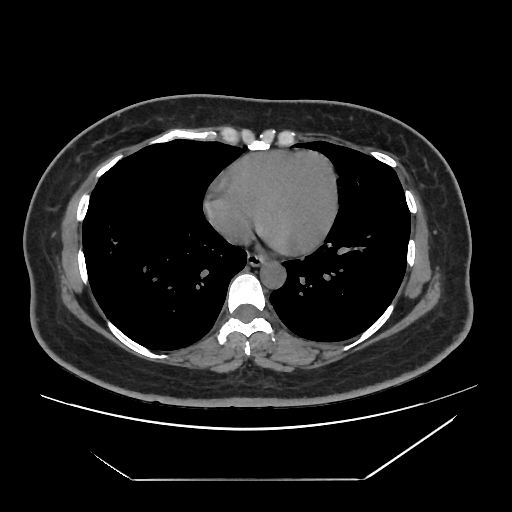
CT of the abdomen reaching into the lower chest, slice just above the liver and spleen — axial view — W/L 400/40 HU
The heart and lungs are never labeled in this dataset, so they have no box on this slice.
<organs><organ name="esophagus" x1="247" y1="253" x2="265" y2="266"/><organ name="aorta" x1="260" y1="262" x2="286" y2="288"/></organs>